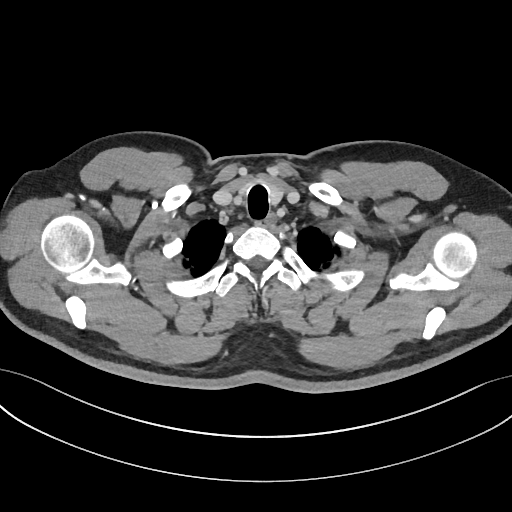 Abdominal CT reaching into the chest; this slice is in the chest · axial view · 15 organs annotated in this scan (counted over the whole 3D scan, not this slice; an organ is boxed only where this slice passes through it)
At this level of the chest this dataset labels only the esophagus and the aorta, and each is boxed only where it is labeled; the heart and lungs are never labeled. Boxes: x1:y1:x2:y2 in pixels. Labeled organs on this slice: esophagus at 264:214:275:225.